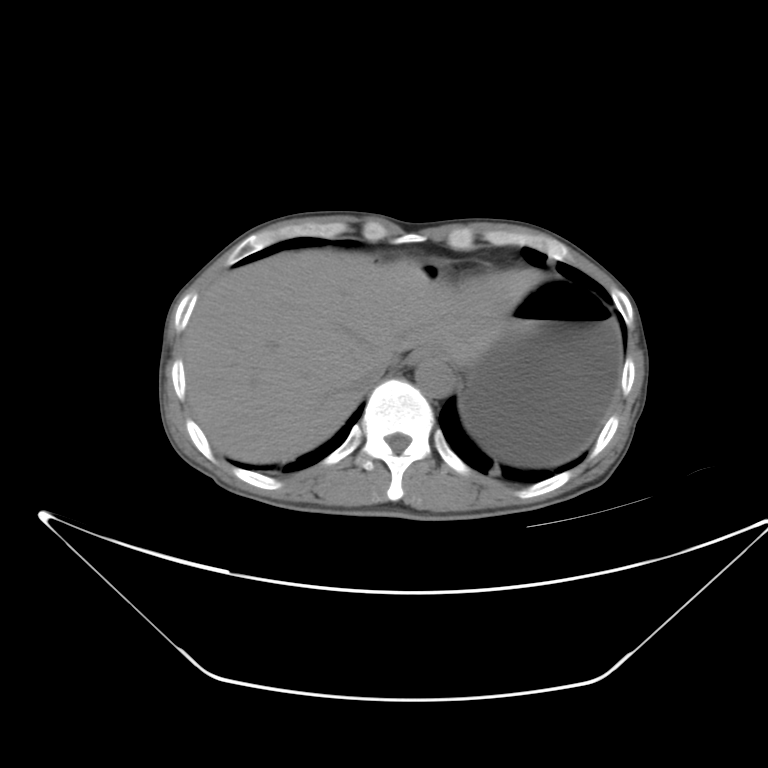
CT, abdomen/pelvis · Axial slice 78/96 · soft-tissue window (W 400 / L 40) · 51-year-old male patient
Bounding boxes as [x1, y1, x2, y2] in pixel coordinates.
esophagus: [407, 345, 446, 363]
aorta: [415, 358, 454, 397]
stomach: [460, 276, 622, 466]
liver: [182, 250, 541, 463]
inferior vena cava: [356, 360, 388, 394]